Abdominal CT · axial view
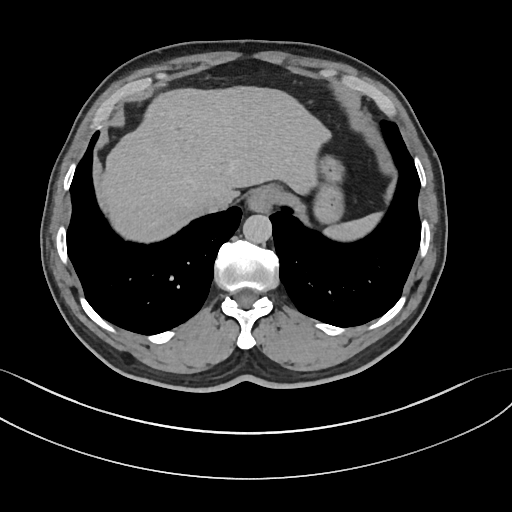
Each box given as x1,y1,x2,y2. 6 labeled organs on this slice — spleen at x1=325, y1=212, x2=381, y2=240; esophagus at x1=247, y1=185, x2=280, y2=212; liver at x1=97, y1=86, x2=330, y2=242; stomach at x1=314, y1=155, x2=343, y2=223; aorta at x1=242, y1=214, x2=272, y2=243; inferior vena cava at x1=199, y1=189, x2=228, y2=212.